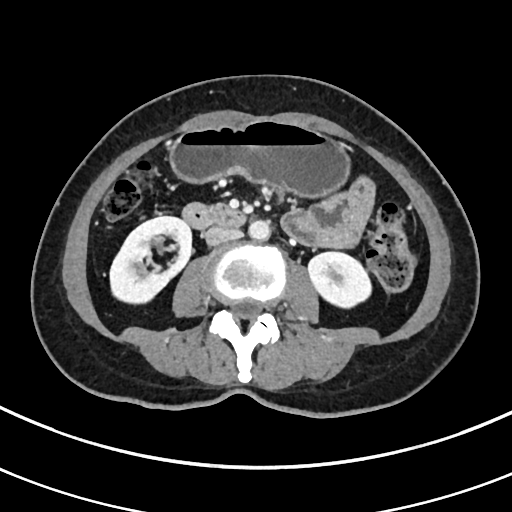 CT abdomen. axial view. abdomen soft-tissue window
<organs><organ name="inferior vena cava" x1="205" y1="226" x2="241" y2="246"/><organ name="aorta" x1="248" y1="220" x2="270" y2="240"/><organ name="right kidney" x1="109" y1="216" x2="191" y2="301"/><organ name="left kidney" x1="307" y1="251" x2="370" y2="308"/><organ name="stomach" x1="168" y1="120" x2="351" y2="196"/><organ name="duodenum" x1="182" y1="203" x2="248" y2="229"/></organs>